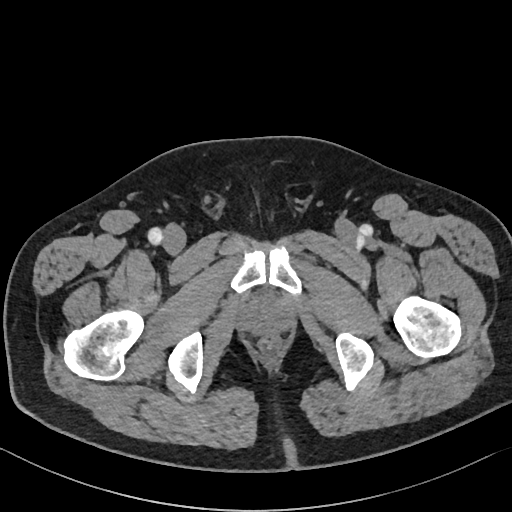
CT abdomen. axial view. soft-tissue window. 512x512 px. scan has 15 labeled organs (counted over the whole 3D scan, not this slice; an organ is boxed only where this slice passes through it)
{"organs":{"prostate/uterus":[245,300,286,331]}}